CT abdomen. axial view. 512x512 px. 68-year-old female patient
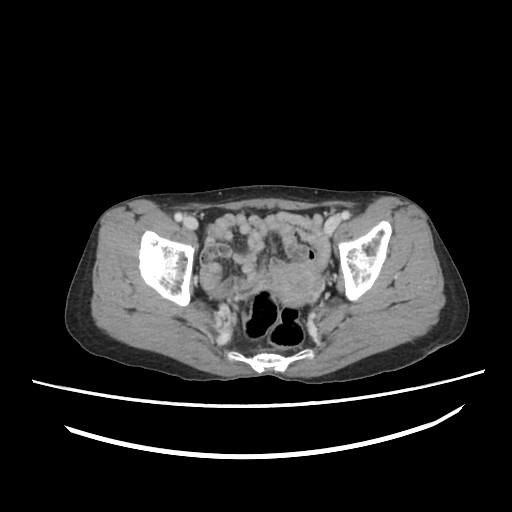 {"organs":{"prostate/uterus":[267,261,321,305]}}